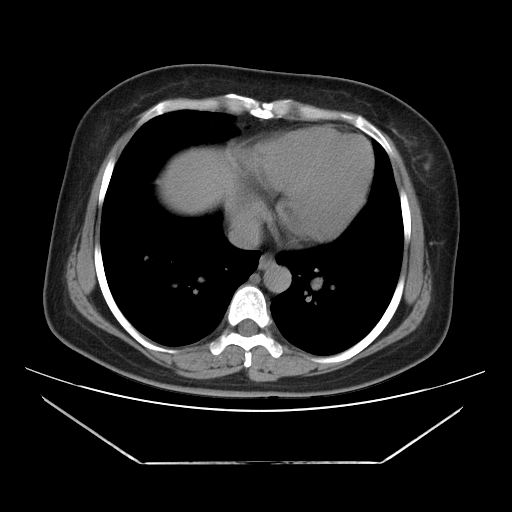

CT, abdomen/pelvis; axial plane, index 90; 512x512 px; SOMATOM Force scanner; 15 organs annotated in this scan (counted over the whole 3D scan, not this slice; an organ is boxed only where this slice passes through it)
<organs><organ name="inferior vena cava" x1="228" y1="218" x2="261" y2="249"/><organ name="aorta" x1="264" y1="264" x2="291" y2="292"/><organ name="liver" x1="164" y1="154" x2="239" y2="214"/><organ name="esophagus" x1="258" y1="254" x2="274" y2="269"/></organs>